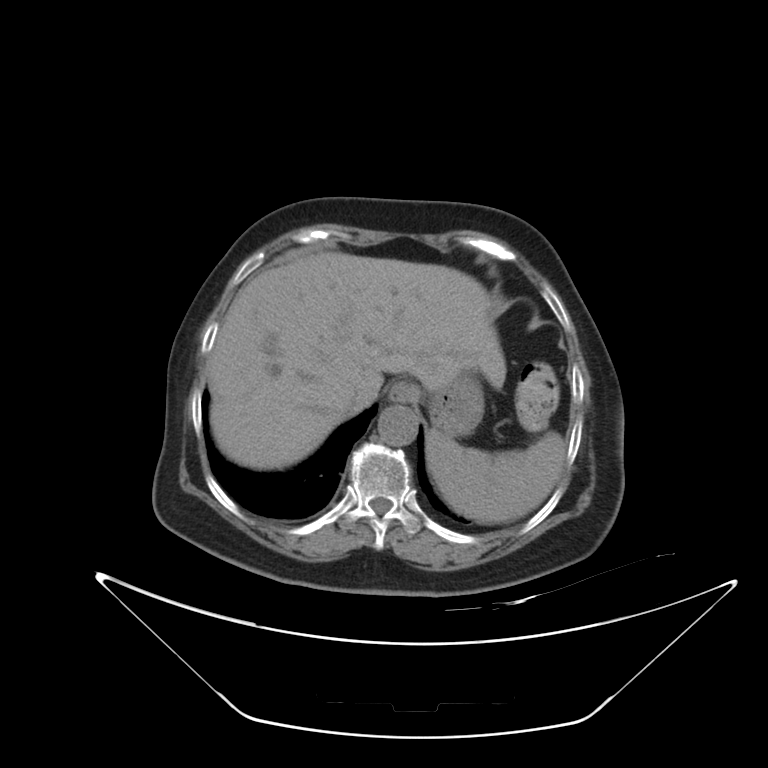 CT abdomen; axial plane, index 75; abdomen soft-tissue window
Boxes: x1:y1:x2:y2 in pixels. The annotated organs in this slice are: stomach at 426:371:484:438, aorta at 378:406:418:446, spleen at 427:430:565:523, liver at 206:252:506:468, esophagus at 389:382:419:402, inferior vena cava at 339:388:373:416.